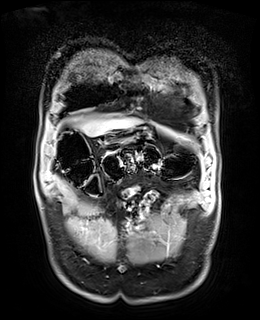
Abdominal MRI. coronal plane, index 121. 1st–99th percentile window
Boxes are (x1, y1, x2, y2) in pixels. 2 labeled organs on this slice — stomach at (103, 126, 150, 149); liver at (80, 118, 139, 136).